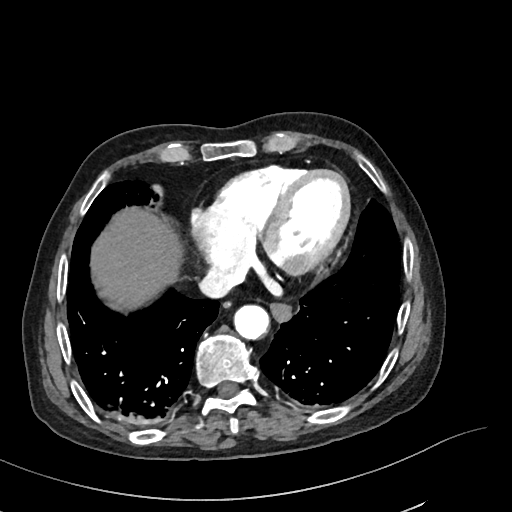

Abdominal CT. Axial slice 215/235. W/L 400/40 HU. 512x512 px
Boxes: x1:y1:x2:y2 in pixels. 4 labeled organs on this slice — liver at 91:208:180:309; inferior vena cava at 198:266:240:299; esophagus at 270:302:291:323; aorta at 233:304:269:339.